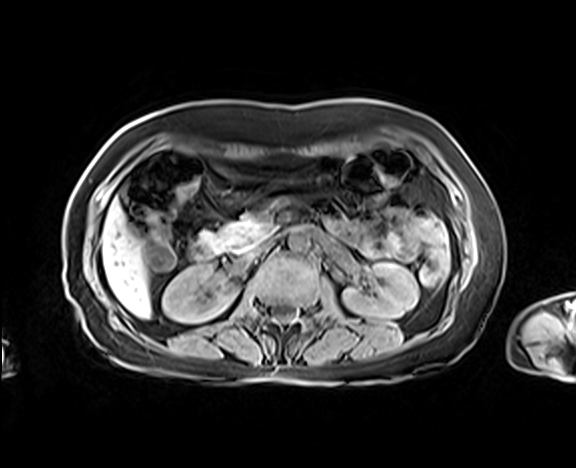 Magnetic resonance imaging, abdomen — axial plane, index 25 — 1st–99th percentile window — scan has 12 labeled organs (that count is for the whole scan; organs this slice misses have no box)
Bounding boxes as [x1, y1, x2, y2] in pixel coordinates.
Organ bounding boxes:
- right kidney: [162, 266, 238, 322]
- left kidney: [343, 262, 418, 318]
- liver: [102, 199, 151, 318]
- stomach: [283, 163, 332, 186]
- aorta: [288, 228, 310, 252]
- inferior vena cava: [244, 241, 272, 259]
- pancreas: [200, 213, 272, 252]
- duodenum: [189, 240, 215, 260]